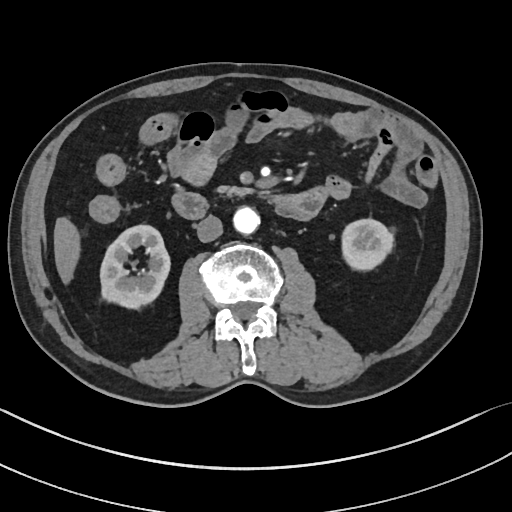

CT, abdomen/pelvis — axial plane, index 129 — W/L 400/40 HU
<organs><organ name="pancreas" x1="218" y1="186" x2="250" y2="196"/><organ name="inferior vena cava" x1="197" y1="215" x2="222" y2="242"/><organ name="duodenum" x1="172" y1="188" x2="327" y2="220"/><organ name="left kidney" x1="342" y1="219" x2="393" y2="270"/><organ name="aorta" x1="233" y1="206" x2="260" y2="233"/><organ name="liver" x1="54" y1="217" x2="80" y2="284"/><organ name="right kidney" x1="100" y1="224" x2="170" y2="308"/></organs>